Chest-level CT slice, above the liver and spleen · axial view · Aquilion ONE scanner
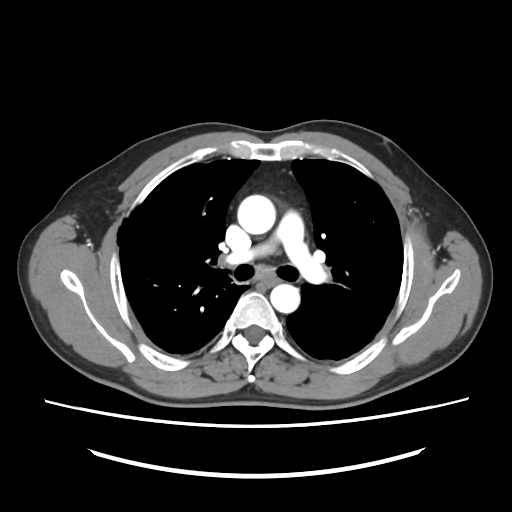 On a slice this high in the chest, this dataset labels only the esophagus and the aorta, and each is boxed only where it is labeled; the heart, lungs and other chest structures are not labeled.
<organs><organ name="esophagus" x1="261" y1="278" x2="280" y2="285"/><organ name="aorta" x1="237" y1="195" x2="275" y2="234"/><organ name="aorta" x1="270" y1="284" x2="299" y2="312"/></organs>